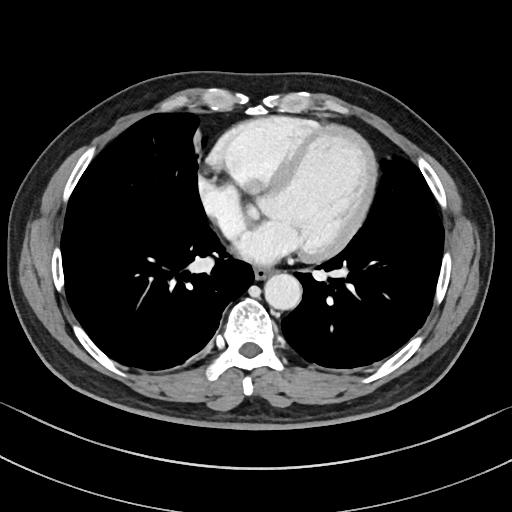 CT of the abdomen reaching into the lower chest, slice just above the liver and spleen; axial view; soft-tissue window (W 400 / L 40); 512x512 px
The heart and lungs are never labeled in this dataset, so they have no box on this slice.
One row per box, in pixels: columns x1 and y1 give the top-left corner, x2 and y2 the bottom-right.
| organ | x1 | y1 | x2 | y2 |
|---|---|---|---|---|
| aorta | 264 | 273 | 301 | 309 |
| esophagus | 254 | 267 | 273 | 279 |